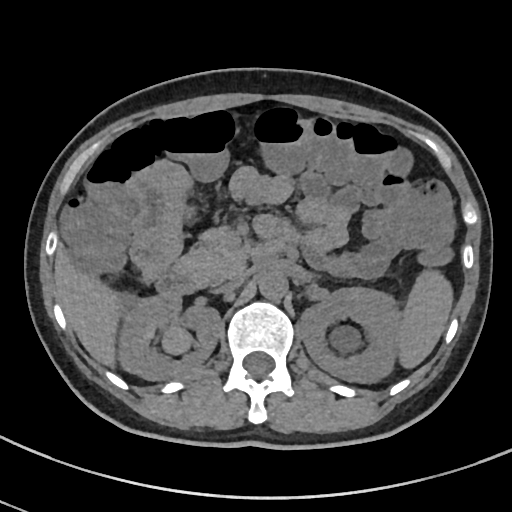

Abdominal CT — Axial slice 159/218
Bounding boxes as [x1, y1, x2, y2] in pixel coordinates. The annotated organs in this slice are: spleen at [399, 272, 452, 368], right kidney at [118, 295, 220, 380], left kidney at [299, 288, 398, 382], liver at [55, 243, 121, 368], aorta at [258, 271, 287, 301], inferior vena cava at [216, 274, 246, 292], pancreas at [175, 226, 247, 286], duodenum at [155, 228, 297, 296].